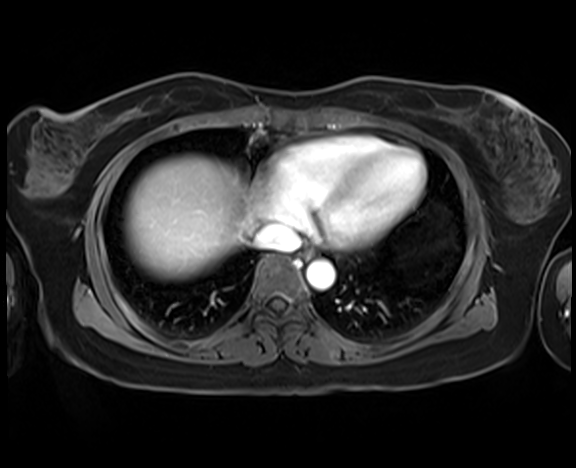 Magnetic resonance imaging, abdomen · axial view · acquired on Prisma
Each box given as x1,y1,x2,y2.
Organ bounding boxes:
- esophagus: x1=300, y1=247, x2=313, y2=259
- liver: x1=125, y1=156, x2=258, y2=278
- aorta: x1=306, y1=259, x2=335, y2=290
- inferior vena cava: x1=254, y1=223, x2=300, y2=250